CT abdomen — axial view — abdomen soft-tissue window
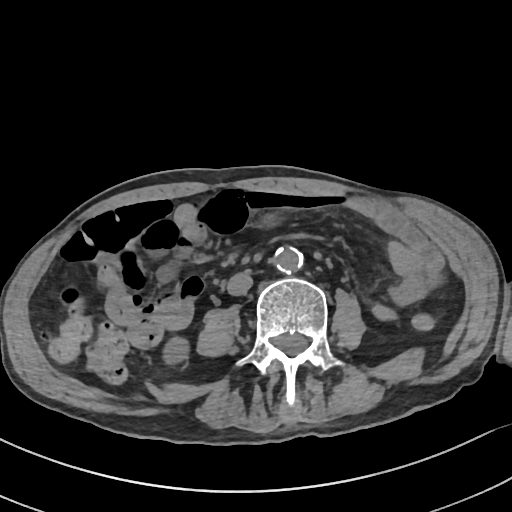 Bounding boxes as [x1, y1, x2, y2] in pixel coordinates. The annotated organs in this slice are: right kidney at [164, 336, 190, 366], aorta at [274, 246, 304, 273], inferior vena cava at [227, 272, 252, 296].